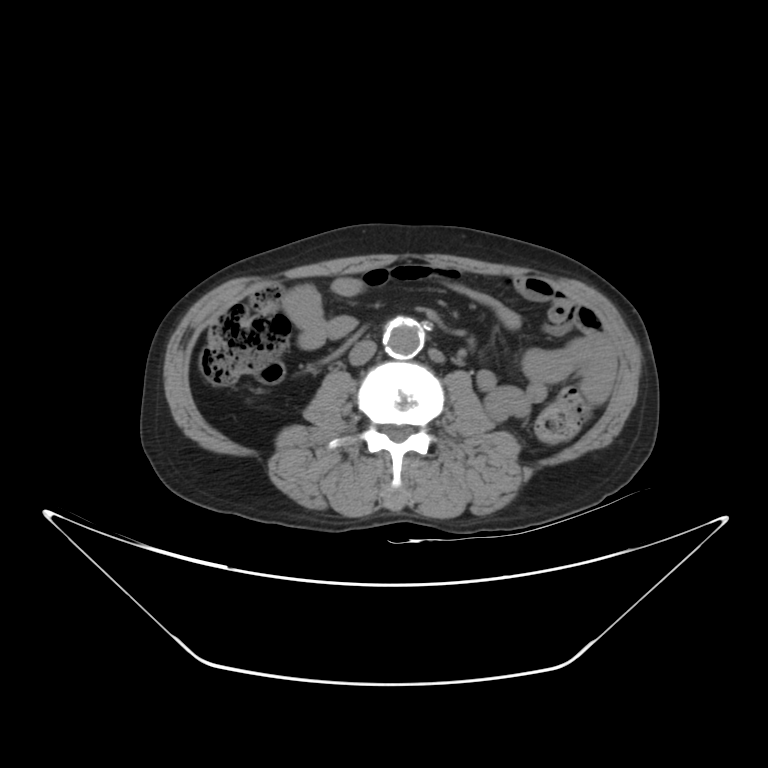
Abdominal CT. axial view. abdomen soft-tissue window. 59-year-old male patient
Boxes are (x1, y1, x2, y2) in pixels.
inferior vena cava: (349, 340, 376, 364)
aorta: (383, 320, 424, 358)